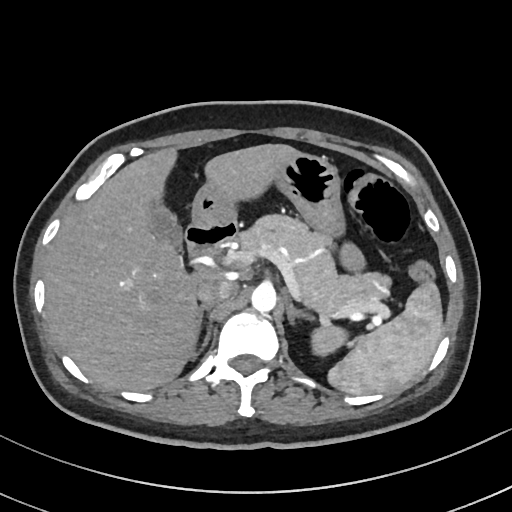

CT abdomen · axial plane, index 148 · 512x512 px
Boxes are (x1, y1, x2, y2) in pixels.
Organ bounding boxes:
- aorta: (251, 285, 277, 312)
- spleen: (326, 281, 443, 395)
- pancreas: (242, 216, 389, 317)
- gall bladder: (153, 206, 181, 249)
- liver: (44, 144, 303, 391)
- left adrenal gland: (286, 302, 314, 326)
- duodenum: (184, 219, 238, 255)
- right adrenal gland: (193, 307, 213, 357)
- left kidney: (311, 327, 346, 355)
- stomach: (192, 155, 344, 236)
- inferior vena cava: (196, 279, 233, 306)